Abdominal MR; Axial slice 29/72; percentile-normalized; 576x468 px; acquired on Prisma
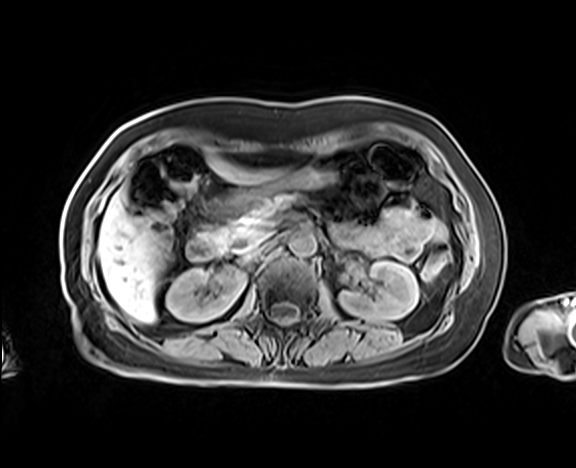
{"organs":{"right kidney":[166,267,245,321],"left kidney":[339,261,418,320],"liver":[98,156,278,323],"stomach":[209,149,349,215],"aorta":[289,231,316,256],"inferior vena cava":[243,241,274,258],"pancreas":[207,194,295,249],"duodenum":[186,233,223,260]}}